Abdominal CT reaching into the chest; this slice is in the chest · Axial slice 107/122 · W/L 400/40 HU · 512x512 px · Aquilion ONE scanner
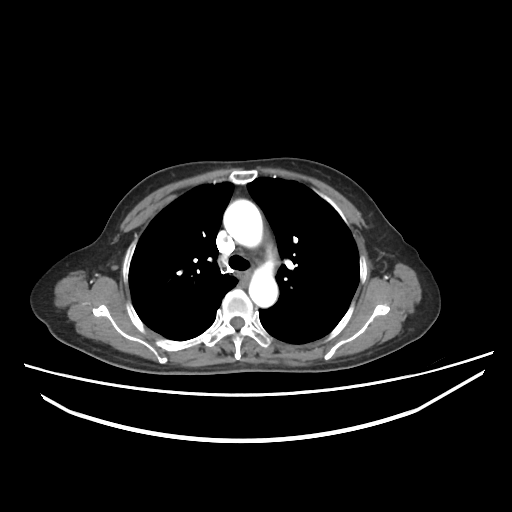

On a slice this high in the chest, this dataset labels only the esophagus and the aorta, and each is boxed only where it is labeled; the heart, lungs and other chest structures are not labeled.
Bounding boxes in pixels, one row per box: x1, y1 is the top-left corner and x2, y2 the bottom-right.
| organ | x1 | y1 | x2 | y2 |
|---|---|---|---|---|
| aorta | 224 | 194 | 262 | 247 |
| aorta | 250 | 265 | 279 | 308 |